Chest-level slice from an abdominal CT that extends up into the chest — axial view — 512x512 px — acquired on Aquilion ONE
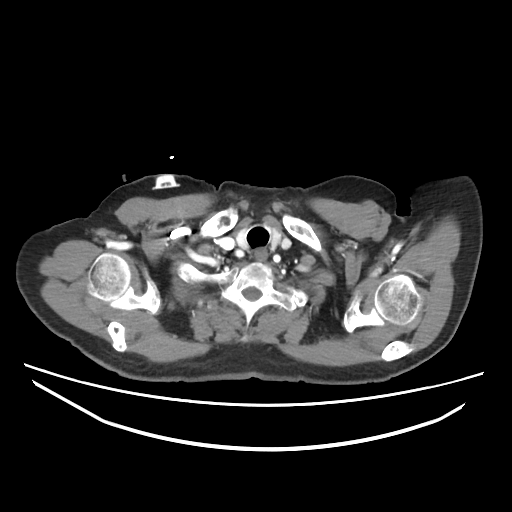 At this level of the chest no structure but the esophagus and the aorta has a label in this dataset, and those two are boxed only where they are labeled.
Bounding boxes in pixels, one row per box: x1, y1 is the top-left corner and x2, y2 the bottom-right.
| organ | x1 | y1 | x2 | y2 |
|---|---|---|---|---|
| esophagus | 255 | 250 | 266 | 261 |